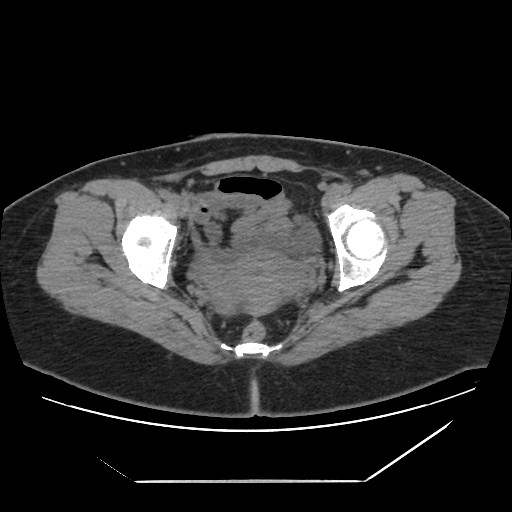

Abdominal CT — axial plane, index 44 — W/L 400/40 HU — 512x512 px
{"organs":{"bladder":[293,222,319,251],"prostate/uterus":[206,252,301,317]}}